Computed tomography, abdomen; Axial slice 163/224
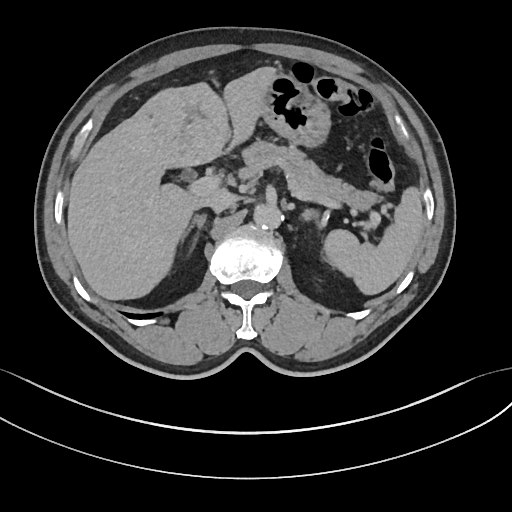

Bounding boxes as [x1, y1, x2, y2] in pixel coordinates.
Organ bounding boxes:
- liver: [67, 66, 281, 300]
- spleen: [323, 187, 422, 295]
- right adrenal gland: [180, 214, 206, 248]
- aorta: [253, 204, 281, 229]
- pancreas: [243, 142, 376, 209]
- stomach: [262, 75, 331, 149]
- left adrenal gland: [301, 209, 318, 219]
- inferior vena cava: [203, 190, 235, 212]